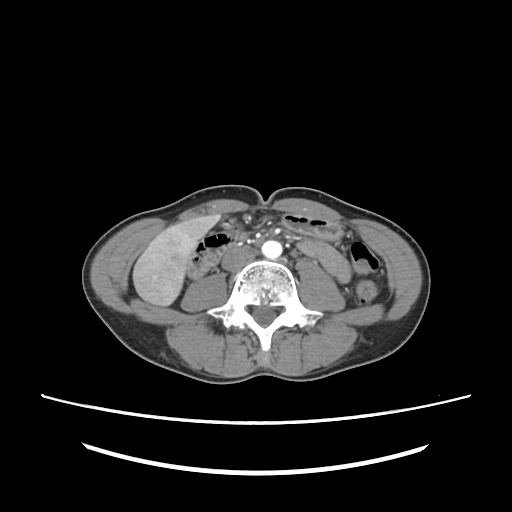 CT abdomen — Axial slice 44/88 — W/L 400/40 HU — 15 organs annotated in this scan (counted over the whole 3D scan, not this slice; an organ is boxed only where this slice passes through it)
One row per box, in pixels: columns x1 and y1 give the top-left corner, x2 and y2 the bottom-right.
| organ | x1 | y1 | x2 | y2 |
|---|---|---|---|---|
| liver | 132 | 214 | 220 | 306 |
| stomach | 281 | 215 | 342 | 240 |
| inferior vena cava | 221 | 247 | 255 | 271 |
| aorta | 262 | 240 | 282 | 258 |